CT of the abdomen extending into the chest, slice through the chest. axial plane, index 221. soft-tissue window, W/L 400/40. 512x512 px
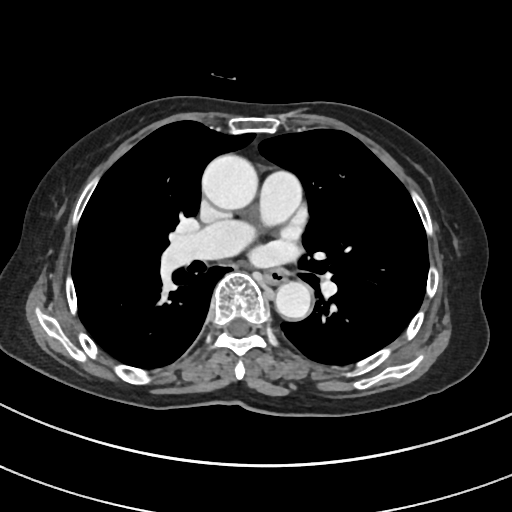

On a slice this high in the chest, this dataset labels only the esophagus and the aorta, and each is boxed only where it is labeled; the heart, lungs and other chest structures are not labeled.
Box edges are left/top/right/bottom in pixels.
esophagus: left=264, top=270, right=287, bottom=283
aorta: left=202, top=154, right=259, bottom=210
aorta: left=275, top=281, right=312, bottom=319